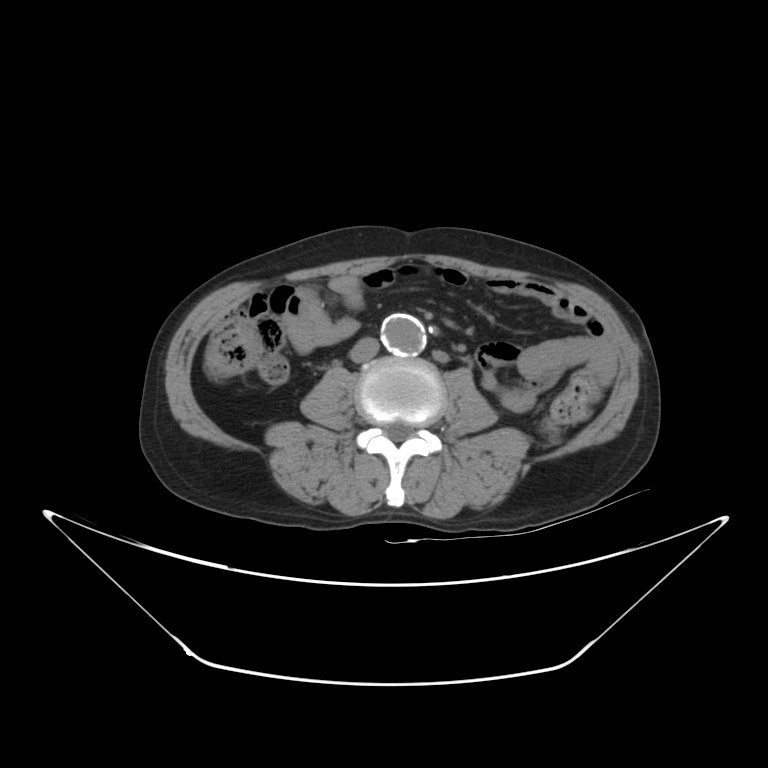 CT abdomen — Axial slice 53/94 — soft-tissue window — 768x768 px — 14 organs annotated in this scan (a whole-scan count: organs this slice does not pass through have no box)
Box edges are left/top/right/bottom in pixels.
aorta: left=382, top=314, right=425, bottom=354
inferior vena cava: left=350, top=337, right=378, bottom=362